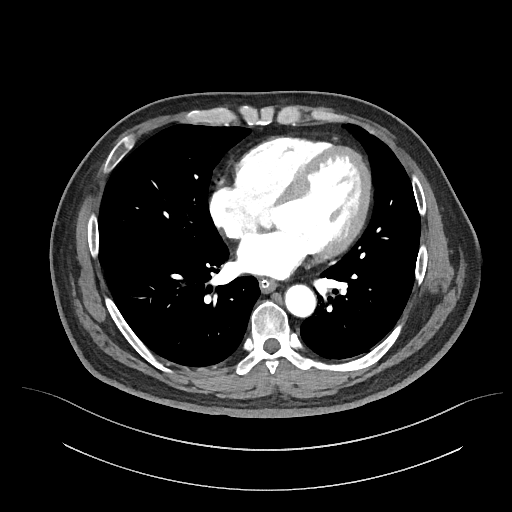

Abdominal CT; this slice is in the lower chest, just above the liver. axial view. soft-tissue window, W/L 400/40. 512x512 px
The heart and lungs are never labeled in this dataset, so they have no box on this slice.
<organs><organ name="esophagus" x1="259" y1="279" x2="276" y2="292"/><organ name="aorta" x1="284" y1="283" x2="315" y2="316"/></organs>